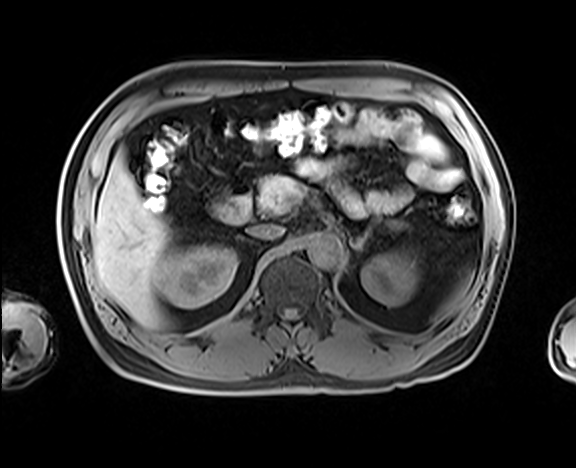 Abdominal MRI. axial plane, index 32. 576x468 px
{"organs":{"duodenum":[207,183,252,224],"liver":[91,150,170,328],"left adrenal gland":[352,229,369,252],"right kidney":[156,243,236,308],"inferior vena cava":[248,225,284,238],"spleen":[438,279,470,318],"aorta":[306,234,341,265],"left kidney":[361,250,418,306],"pancreas":[258,175,303,213]}}